Abdominal CT — axial view — W/L 400/40 HU
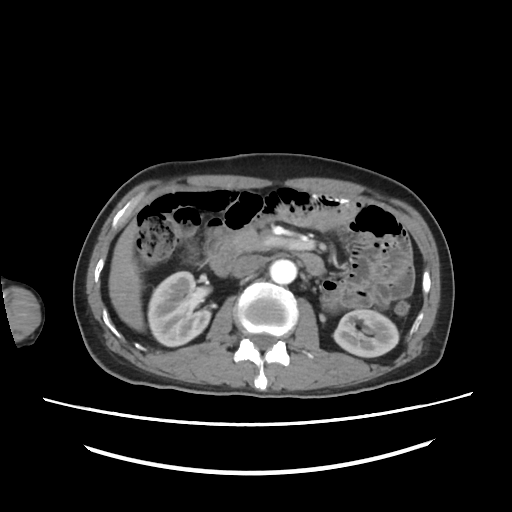
{"organs":{"left kidney":[334,308,398,357],"pancreas":[228,228,266,253],"duodenum":[207,243,326,275],"inferior vena cava":[233,254,264,278],"aorta":[271,258,297,283],"liver":[109,221,143,331],"right kidney":[148,271,208,346]}}